Abdominal MRI; Coronal slice 91/144; 260x320 px; Prisma scanner; scan has 13 labeled organs (that count is for the whole scan; organs this slice misses have no box)
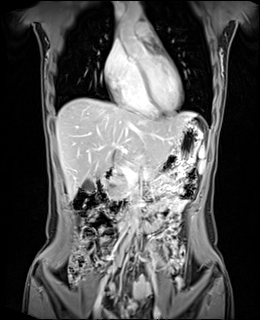

Boxes: x1:y1:x2:y2 in pixels.
spleen: 198:145:205:172
gall bladder: 83:179:95:191
liver: 56:98:196:197
stomach: 148:120:203:185
aorta: 119:3:143:37
aorta: 131:205:138:232
inferior vena cava: 123:219:125:220
pancreas: 105:147:160:199
duodenum: 95:168:145:213